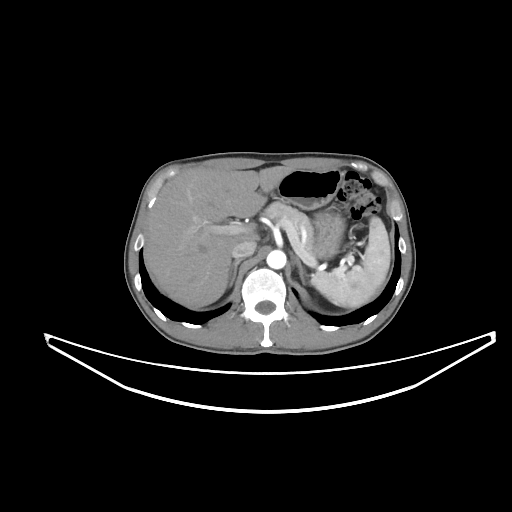

Abdominal CT. axial view
<organs><organ name="spleen" x1="311" y1="216" x2="390" y2="307"/><organ name="liver" x1="145" y1="166" x2="294" y2="308"/><organ name="stomach" x1="276" y1="169" x2="344" y2="257"/><organ name="aorta" x1="266" y1="250" x2="286" y2="268"/><organ name="inferior vena cava" x1="231" y1="240" x2="256" y2="258"/><organ name="pancreas" x1="262" y1="201" x2="318" y2="256"/><organ name="right adrenal gland" x1="229" y1="259" x2="242" y2="287"/><organ name="left adrenal gland" x1="294" y1="256" x2="308" y2="284"/></organs>